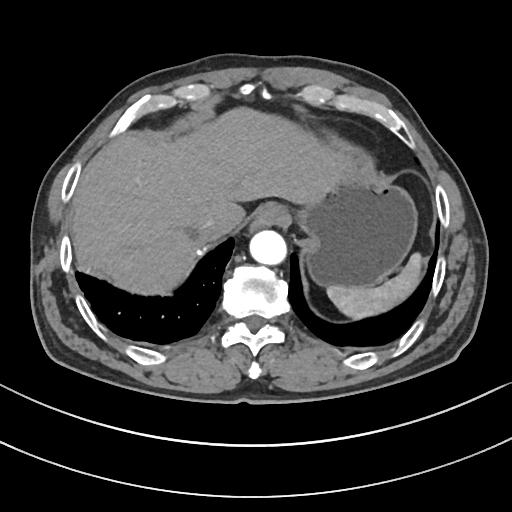

CT abdomen — axial view — 512x512 px — scan has 15 labeled organs (counted over the whole 3D scan, not this slice; an organ is boxed only where this slice passes through it)
Boxes are (x1, y1, x2, y2) in pixels.
Organ bounding boxes:
- aorta: (250, 230, 286, 264)
- stomach: (296, 158, 417, 287)
- esophagus: (250, 204, 289, 232)
- liver: (71, 107, 352, 294)
- inferior vena cava: (200, 219, 214, 229)
- spleen: (327, 253, 423, 319)